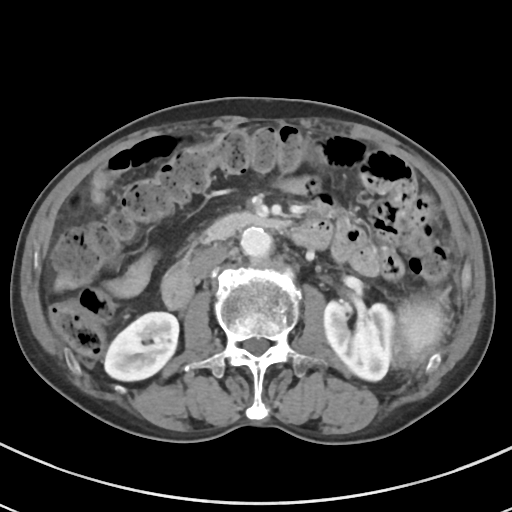
Abdominal CT — axial plane, index 52 — 512x512 px — acquired on SOMATOM Force
Boxes: x1 y1 x2 y2 (pixel coords, space-separated).
spleen: 396 299 444 364
right kidney: 104 312 178 380
left kidney: 324 301 394 380
aorta: 240 227 272 257
inferior vena cava: 192 245 227 279
pancreas: 204 213 290 240
duodenum: 161 221 331 309